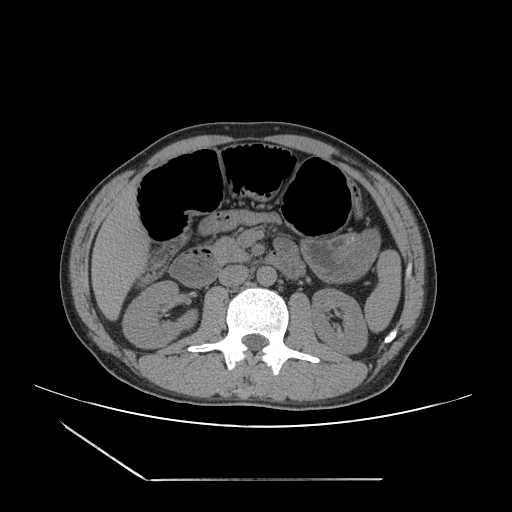

Computed tomography, abdomen — Axial slice 115/173 — acquired on SOMATOM Force — 15 organs annotated in this scan (that count is for the whole scan; organs this slice misses have no box)
Each box given as x1,y1,x2,y2.
right kidney: x1=122, y1=280, x2=196, y2=347
liver: x1=91, y1=188, x2=147, y2=317
aorta: x1=256, y1=266, x2=276, y2=286
inferior vena cava: x1=219, y1=265, x2=248, y2=286
stomach: x1=301, y1=233, x2=378, y2=281
pancreas: x1=210, y1=238, x2=250, y2=264
left kidney: x1=311, y1=290, x2=367, y2=353
spleen: x1=365, y1=250, x2=399, y2=330
duodenum: x1=169, y1=248, x2=299, y2=287